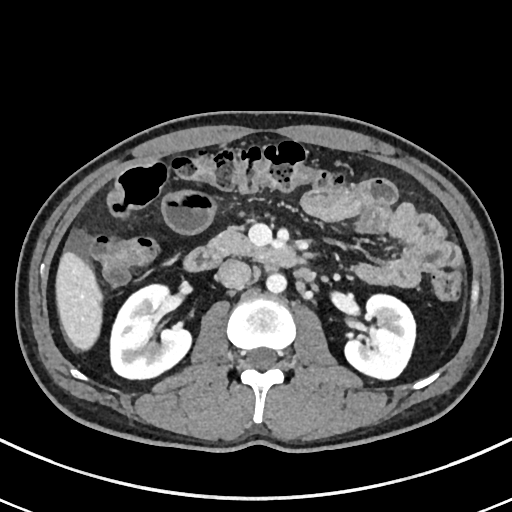
CT abdomen. Axial slice 136/218. 15 organs annotated in this scan (counted over the whole 3D scan, not this slice; an organ is boxed only where this slice passes through it)
Boxes are (x1, y1, x2, y2) in pixels.
Organ bounding boxes:
- right kidney: (111, 284, 193, 380)
- left kidney: (345, 293, 415, 380)
- liver: (55, 250, 101, 349)
- aorta: (266, 273, 286, 294)
- inferior vena cava: (216, 260, 251, 288)
- pancreas: (207, 228, 259, 256)
- duodenum: (181, 246, 308, 272)